Abdominal MRI. axial view. percentile-normalized. 320x260 px
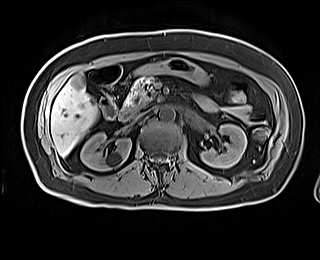
Bounding boxes as [x1, y1, x2, y2] in pixel coordinates.
pancreas: [125, 77, 157, 110]
right kidney: [80, 132, 131, 170]
duodenum: [118, 108, 135, 121]
left kidney: [200, 124, 246, 168]
stomach: [132, 58, 210, 85]
liver: [51, 73, 97, 156]
aorta: [159, 106, 175, 121]
inferior vena cava: [135, 110, 148, 119]